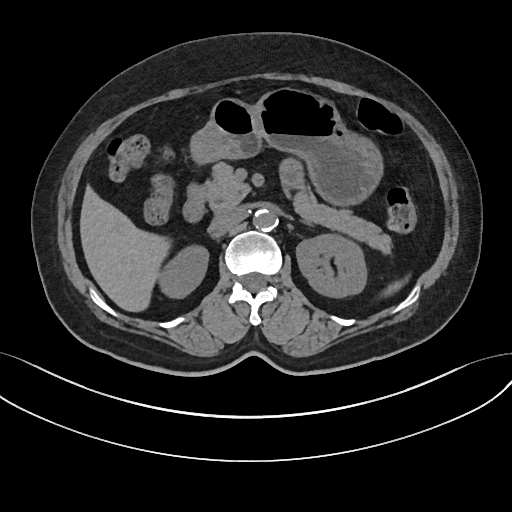 Computed tomography, abdomen · axial view · 512x512 px · 15 organs annotated in this scan (a whole-scan count: organs this slice does not pass through have no box)
{"organs":{"spleen":[384,282,404,293],"right kidney":[160,247,209,297],"left kidney":[296,233,368,296],"liver":[80,188,169,310],"stomach":[192,87,380,203],"aorta":[252,208,275,230],"inferior vena cava":[213,206,241,225],"pancreas":[199,161,392,251],"duodenum":[182,184,205,223]}}